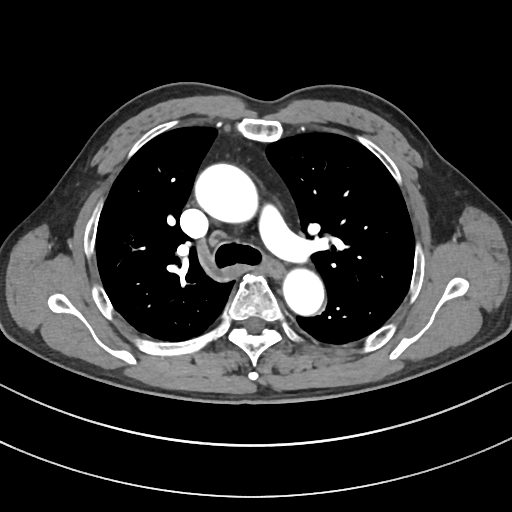

Chest-level slice from an abdominal CT that extends up into the chest. axial view. soft-tissue window, W/L 400/40. scan has 15 labeled organs (a whole-scan count: organs this slice does not pass through have no box)
On a slice this high in the chest, this dataset labels only the esophagus and the aorta, and each is boxed only where it is labeled; the heart, lungs and other chest structures are not labeled.
Box edges are left/top/right/bottom in pixels.
Organ bounding boxes:
- esophagus: left=269, top=261, right=281, bottom=274
- aorta: left=195, top=164, right=257, bottom=223
- aorta: left=282, top=268, right=324, bottom=315